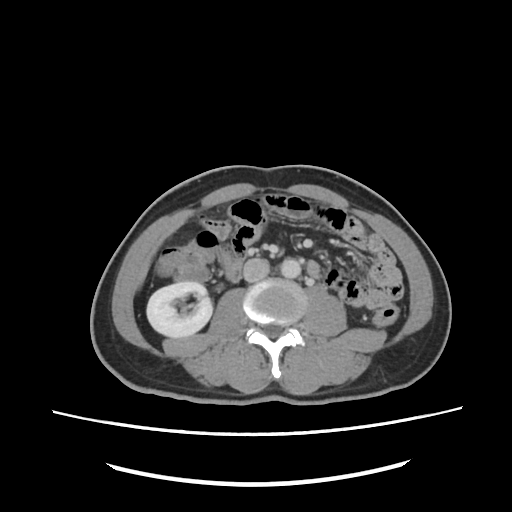

Abdominal CT; axial view; 512x512 px
<organs><organ name="aorta" x1="280" y1="258" x2="300" y2="278"/><organ name="inferior vena cava" x1="243" y1="258" x2="269" y2="282"/><organ name="right kidney" x1="146" y1="281" x2="212" y2="337"/></organs>